CT, abdomen/pelvis; axial plane, index 12; soft-tissue window; 512x512 px; 44-year-old male patient
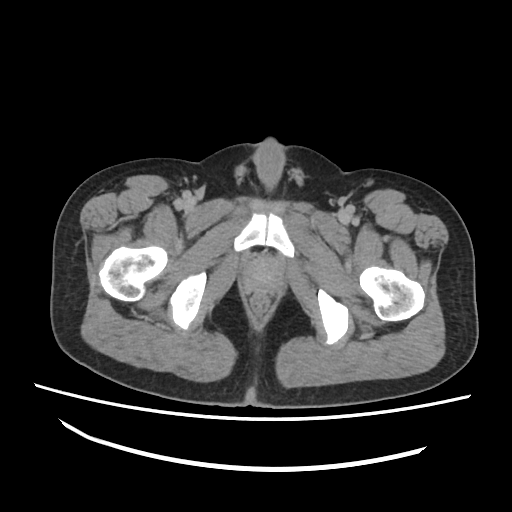
Coordinates as <box>x1,y1,x2,y2</box> in pixels.
Organ bounding boxes:
- prostate/uterus: <box>248,261,278,286</box>